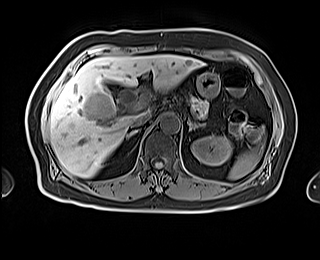

Magnetic resonance imaging, abdomen · axial view · 13 organs annotated in this scan (counted over the whole 3D scan, not this slice; an organ is boxed only where this slice passes through it)
One row per box, in pixels: columns x1 and y1 give the top-left corner, x2 and y2 the bottom-right.
| organ | x1 | y1 | x2 | y2 |
|---|---|---|---|---|
| pancreas | 190 | 96 | 208 | 118 |
| inferior vena cava | 130 | 113 | 150 | 127 |
| left kidney | 191 | 135 | 232 | 165 |
| liver | 49 | 54 | 203 | 177 |
| aorta | 160 | 113 | 179 | 132 |
| stomach | 197 | 72 | 219 | 97 |
| spleen | 228 | 146 | 262 | 179 |
| right adrenal gland | 126 | 130 | 137 | 139 |
| left adrenal gland | 189 | 122 | 206 | 130 |